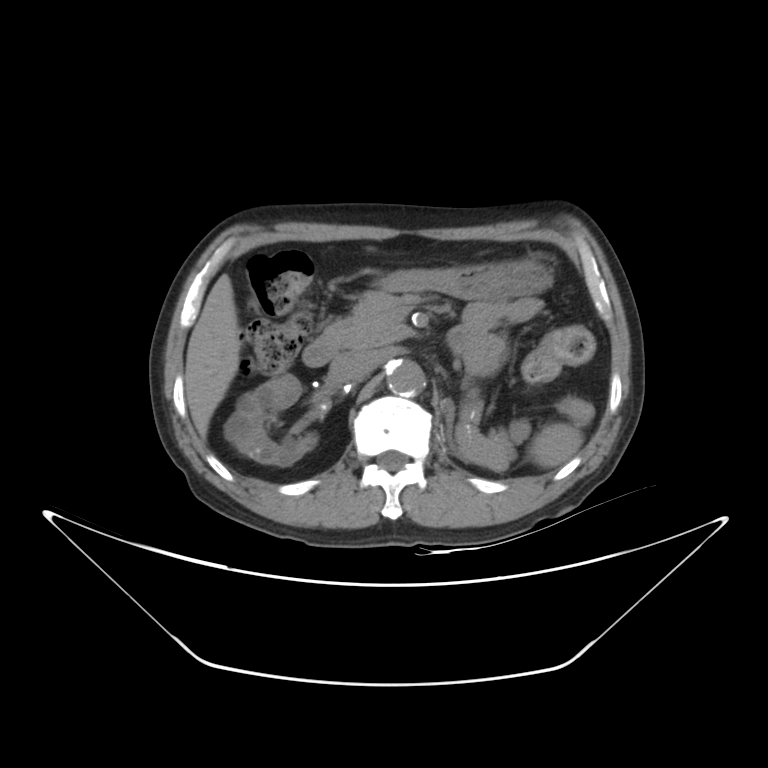 Computed tomography, abdomen. axial view. abdomen soft-tissue window. 59-year-old male patient
Bounding boxes in pixels, one row per box: x1, y1 is the top-left corner and x2, y2 the bottom-right.
| organ | x1 | y1 | x2 | y2 |
|---|---|---|---|---|
| spleen | 529 | 422 | 583 | 467 |
| right kidney | 224 | 374 | 317 | 466 |
| liver | 185 | 274 | 241 | 438 |
| stomach | 379 | 255 | 552 | 299 |
| aorta | 387 | 359 | 425 | 395 |
| inferior vena cava | 329 | 351 | 378 | 382 |
| pancreas | 320 | 291 | 528 | 466 |
| left adrenal gland | 446 | 399 | 458 | 454 |
| duodenum | 302 | 340 | 336 | 367 |